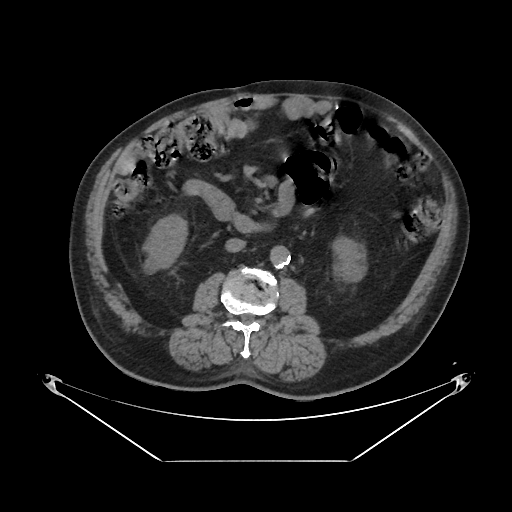 CT abdomen. axial view
{"organs":{"inferior vena cava":[225,238,245,251],"aorta":[270,246,290,268],"duodenum":[185,180,267,233],"left kidney":[332,237,363,282],"right kidney":[142,215,187,268]}}